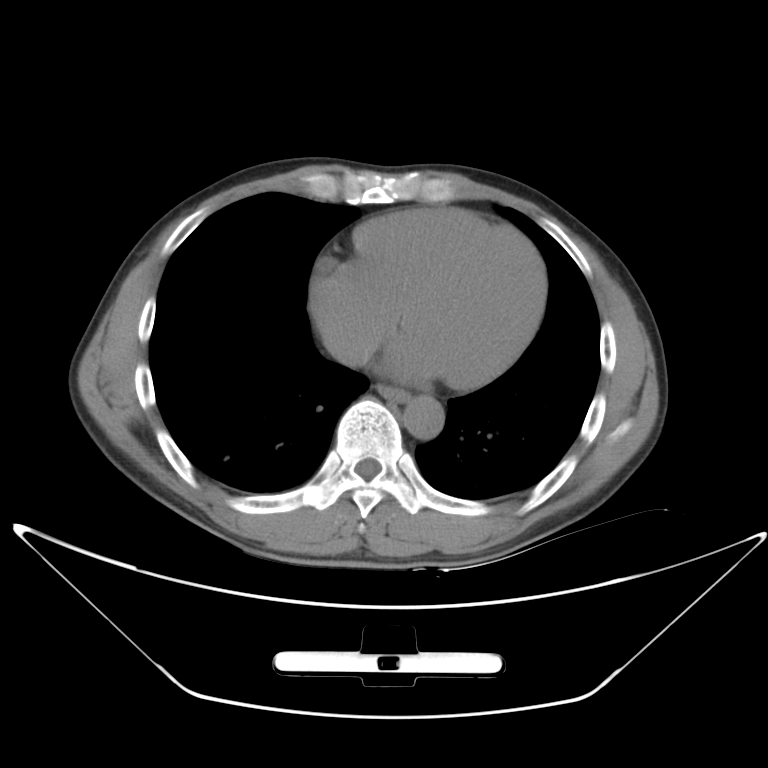
Lower-chest slice from an abdominal CT, just above the liver and spleen. axial plane, index 90. W/L 400/40 HU. 768x768 px. 51-year-old male patient
The heart and lungs are never labeled in this dataset, so they have no box on this slice. Bounding boxes as [x1, y1, x2, y2] in pixel coordinates. The annotated organs in this slice are: esophagus at [376, 384, 405, 402], aorta at [404, 398, 440, 437], inferior vena cava at [324, 332, 369, 367].